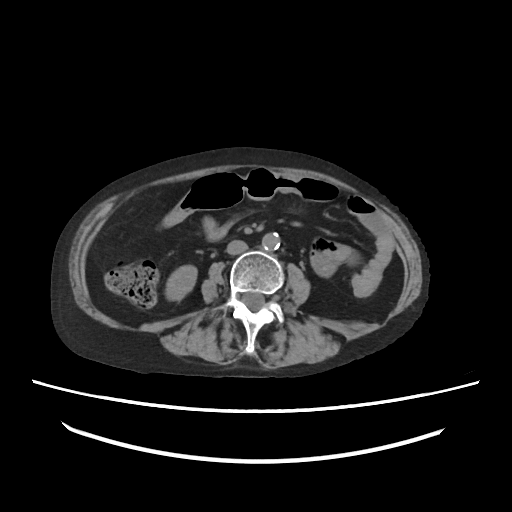
CT, abdomen/pelvis; axial view; soft-tissue window
Boxes: x1 y1 x2 y2 (pixel coords, space-separated).
Organ bounding boxes:
- right kidney: 165 265 197 300
- aorta: 262 232 280 250
- inferior vena cava: 226 240 248 254